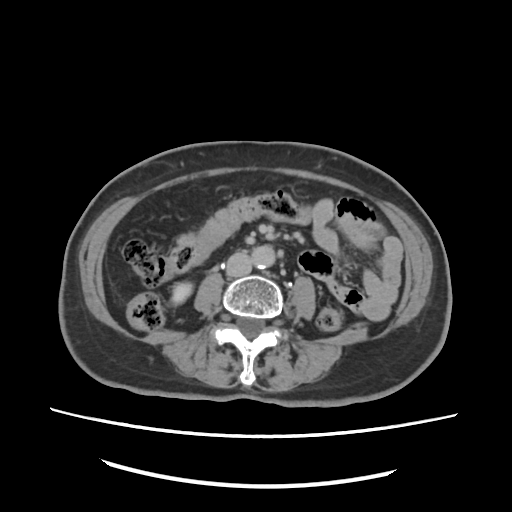

Computed tomography, abdomen · axial plane, index 48 · soft-tissue window · 512x512 px · acquired on Aquilion ONE
<organs><organ name="right kidney" x1="172" y1="282" x2="192" y2="302"/><organ name="aorta" x1="249" y1="243" x2="275" y2="268"/><organ name="inferior vena cava" x1="225" y1="252" x2="252" y2="278"/></organs>